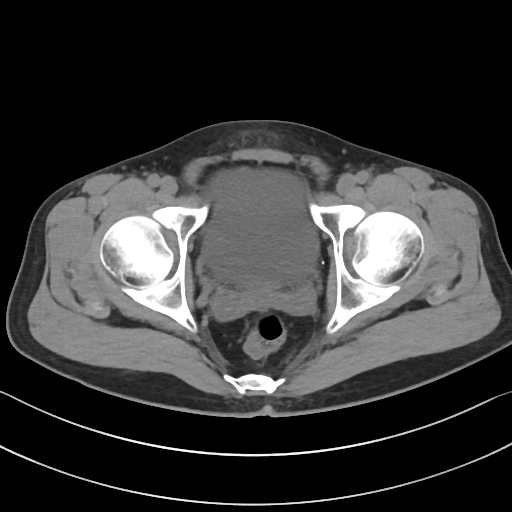

Computed tomography, abdomen · axial plane, index 13 · SOMATOM Force scanner
Bounding boxes as [x1, y1, x2, y2] in pixel coordinates.
bladder: [203, 169, 318, 284]